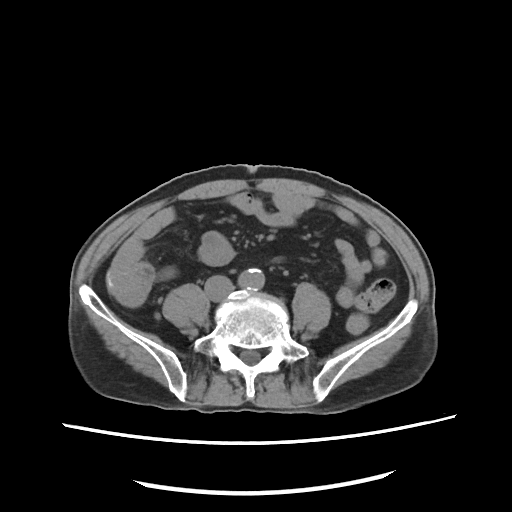 Computed tomography, abdomen · axial view · 68-year-old male patient
Organ boxes in pixel coordinates; each row gives the top-left (x1, y1) and bottom-right (x2, y2) corners.
| organ | x1 | y1 | x2 | y2 |
|---|---|---|---|---|
| inferior vena cava | 205 | 276 | 233 | 300 |
| aorta | 238 | 268 | 264 | 290 |